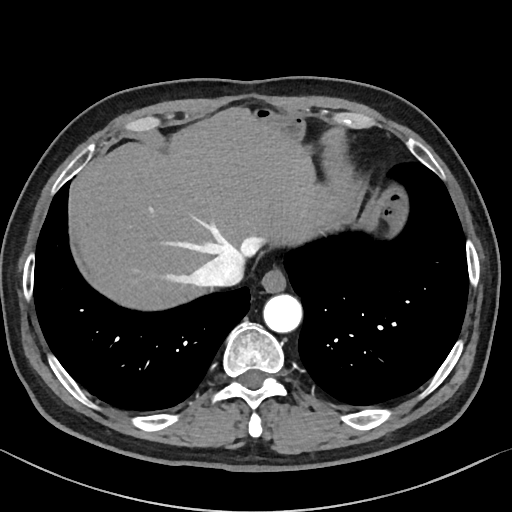 CT abdomen; axial view; soft-tissue window
<organs><organ name="esophagus" x1="261" y1="268" x2="286" y2="292"/><organ name="liver" x1="75" y1="108" x2="355" y2="310"/><organ name="aorta" x1="263" y1="294" x2="302" y2="332"/><organ name="inferior vena cava" x1="196" y1="251" x2="243" y2="286"/></organs>